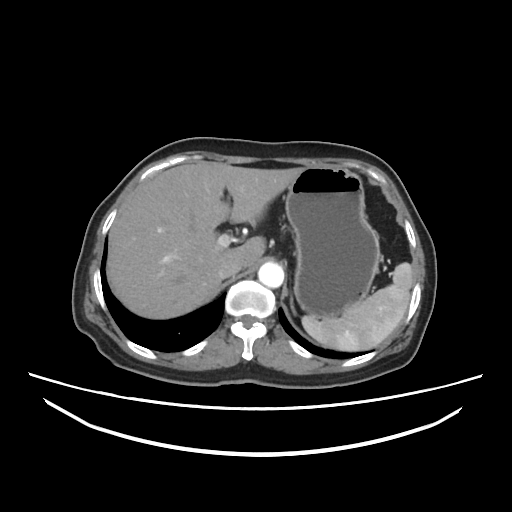 Abdominal CT; axial view; W/L 400/40 HU; 512x512 px; 62-year-old female patient
<organs><organ name="spleen" x1="302" y1="262" x2="413" y2="351"/><organ name="liver" x1="106" y1="163" x2="303" y2="317"/><organ name="stomach" x1="285" y1="166" x2="381" y2="317"/><organ name="aorta" x1="258" y1="262" x2="284" y2="288"/><organ name="inferior vena cava" x1="216" y1="259" x2="242" y2="279"/><organ name="left adrenal gland" x1="289" y1="298" x2="294" y2="312"/></organs>